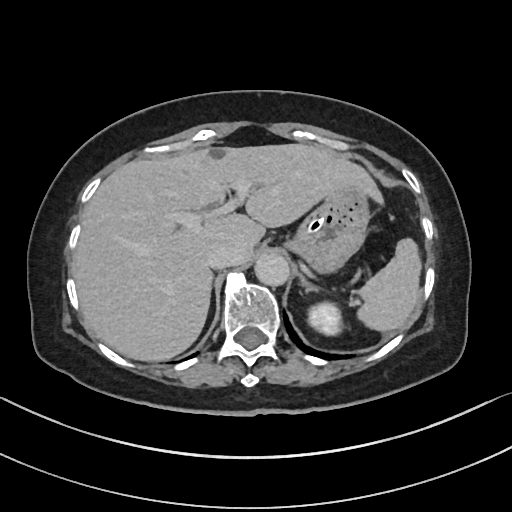 CT, abdomen/pelvis; axial view; soft-tissue window (W 400 / L 40); 512x512 px; 15 organs annotated in this scan (a whole-scan count: organs this slice does not pass through have no box)
Boxes: x1:y1:x2:y2 in pixels.
Organ bounding boxes:
- left adrenal gland: 299:274:315:290
- left kidney: 308:302:343:335
- aorta: 254:252:289:286
- liver: 72:144:384:361
- inferior vena cava: 206:241:239:268
- spleen: 357:238:421:331
- stomach: 286:186:370:273